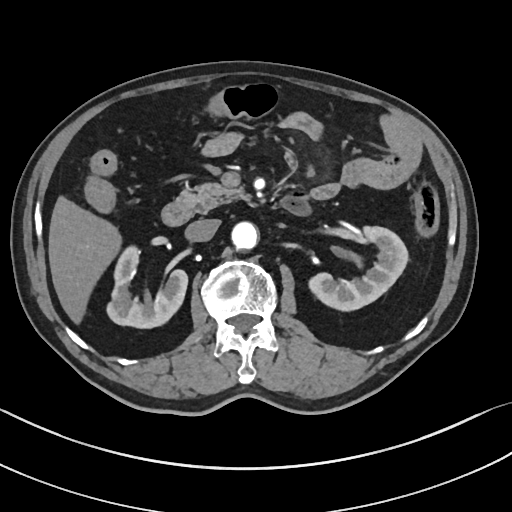 CT, abdomen/pelvis — axial view
Boxes are (x1, y1, x2, y2) in pixels.
liver: (48, 196, 121, 323)
pancreas: (177, 182, 249, 213)
inferior vena cava: (185, 219, 220, 241)
duodenum: (161, 193, 310, 225)
left kidney: (309, 226, 407, 310)
right kidney: (107, 245, 187, 328)
aorta: (231, 222, 257, 249)